CT abdomen · axial view · SOMATOM Force scanner · 15 organs annotated in this scan (that count is for the whole scan; organs this slice misses have no box)
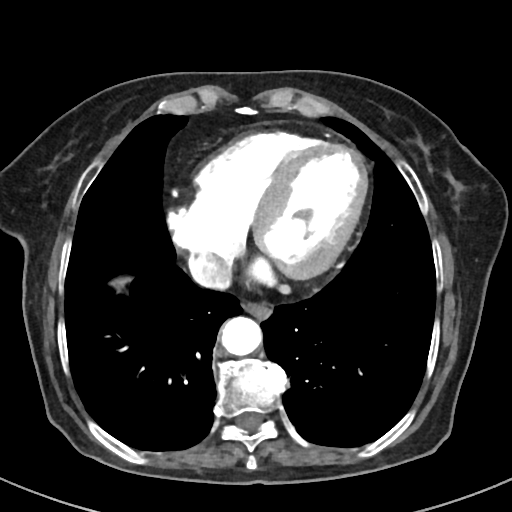 Bounding boxes as [x1, y1, x2, y2] in pixel coordinates.
Organ bounding boxes:
- esophagus: [243, 301, 270, 319]
- liver: [116, 277, 125, 285]
- aorta: [221, 317, 261, 356]
- inferior vena cava: [188, 252, 232, 288]